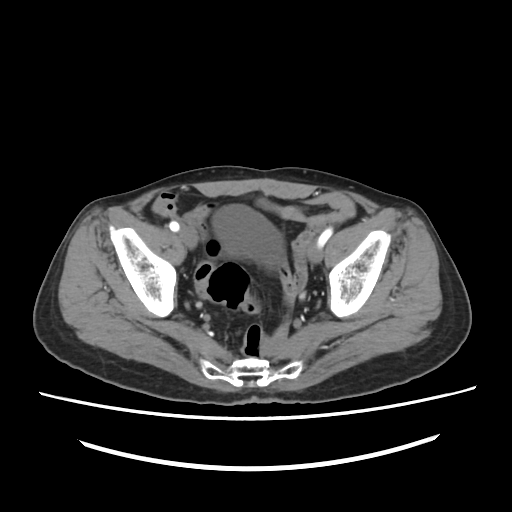
Computed tomography, abdomen — Axial slice 26/134 — 512x512 px — 65-year-old male patient
<organs><organ name="bladder" x1="212" y1="205" x2="282" y2="263"/></organs>